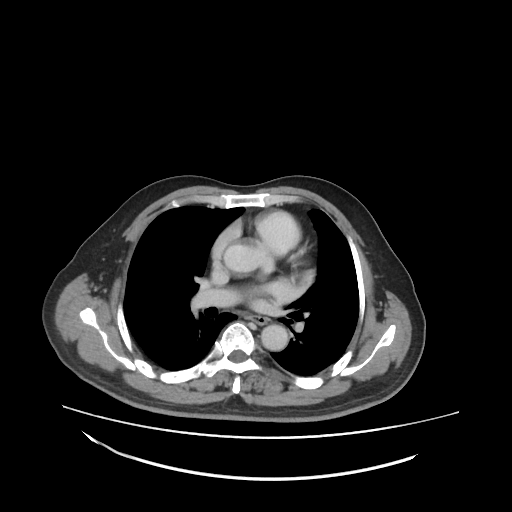

Chest-level slice from an abdominal CT that extends up into the chest. axial view. 66-year-old male patient
At this level of the chest this dataset labels only the esophagus and the aorta, and each is boxed only where it is labeled; the heart and lungs are never labeled.
{"organs":{"esophagus":[245,314,268,325],"aorta":[260,324,287,350]}}